Computed tomography, abdomen; axial plane, index 62; W/L 400/40 HU; Aquilion ONE scanner
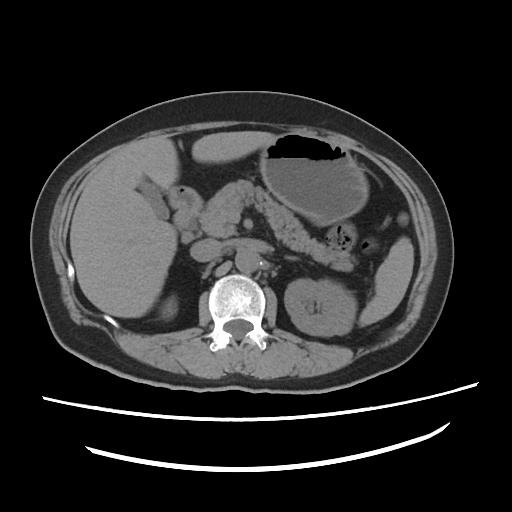
Bounding boxes as [x1, y1, x2, y2] in pixel coordinates.
spleen: [359, 237, 413, 326]
right kidney: [164, 301, 174, 317]
left kidney: [284, 279, 356, 336]
gall bladder: [139, 179, 169, 218]
liver: [70, 131, 277, 317]
stomach: [259, 132, 368, 225]
aorta: [235, 248, 260, 273]
inferior vena cava: [190, 239, 222, 262]
pancreas: [198, 180, 355, 271]
left adrenal gland: [285, 256, 298, 260]
duodenum: [169, 186, 200, 231]